CT abdomen — axial view — W/L 400/40 HU — 512x512 px — 15 organs annotated in this scan (counted over the whole 3D scan, not this slice; an organ is boxed only where this slice passes through it)
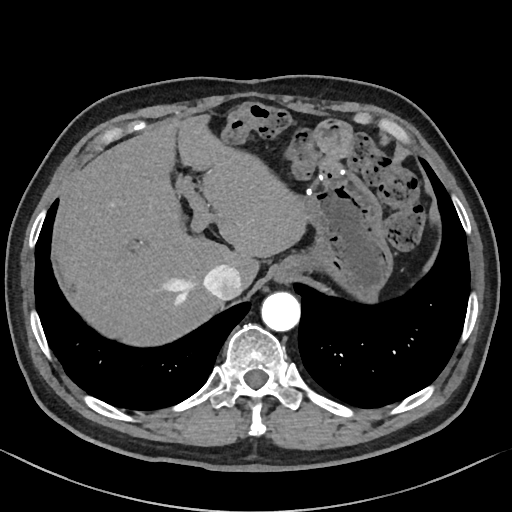 Bounding boxes as [x1, y1, x2, y2] in pixel coordinates. 5 labeled organs on this slice — aorta at [261, 292, 300, 331]; stomach at [283, 166, 393, 301]; liver at [57, 115, 307, 346]; esophagus at [273, 261, 294, 281]; inferior vena cava at [203, 264, 242, 300].